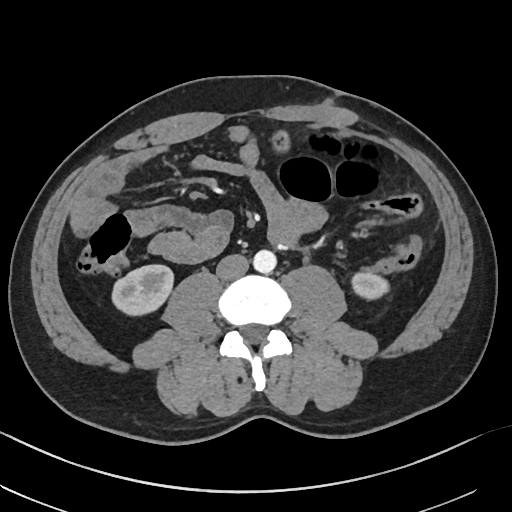

Computed tomography, abdomen. axial view. soft-tissue window
Boxes: x1:y1:x2:y2 in pixels.
Organ bounding boxes:
- right kidney: 112:264:173:315
- left kidney: 351:272:389:299
- aorta: 253:249:276:273
- inferior vena cava: 216:254:248:280